Computed tomography, abdomen — axial view — 512x512 px — Aquilion ONE scanner
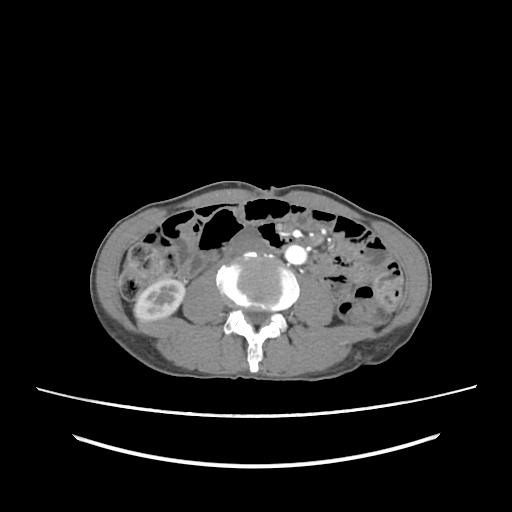
<organs><organ name="right kidney" x1="134" y1="277" x2="185" y2="321"/><organ name="inferior vena cava" x1="233" y1="230" x2="268" y2="253"/><organ name="aorta" x1="285" y1="245" x2="306" y2="264"/></organs>